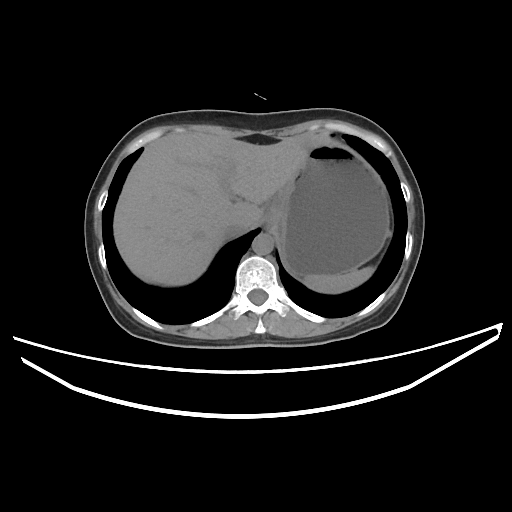 CT, abdomen/pelvis — axial view — soft-tissue window (W 400 / L 40) — 512x512 px — 15 organs annotated in this scan (a whole-scan count: organs this slice does not pass through have no box)
{"organs":{"spleen":[304,266,374,293],"liver":[113,132,329,285],"stomach":[264,143,389,276],"aorta":[252,233,273,255],"inferior vena cava":[224,223,255,237]}}